Computed tomography, abdomen; axial view; 512x512 px
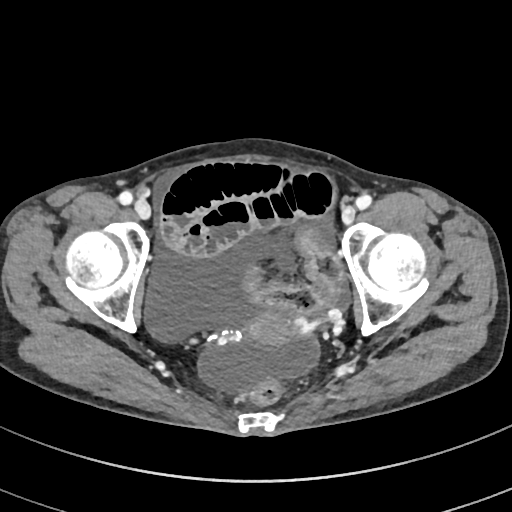 <organs><organ name="prostate/uterus" x1="245" y1="308" x2="295" y2="345"/></organs>